Abdominal CT; this slice is in the lower chest, just above the liver — axial plane, index 210 — 512x512 px — scan has 15 labeled organs (that count is for the whole scan; organs this slice misses have no box)
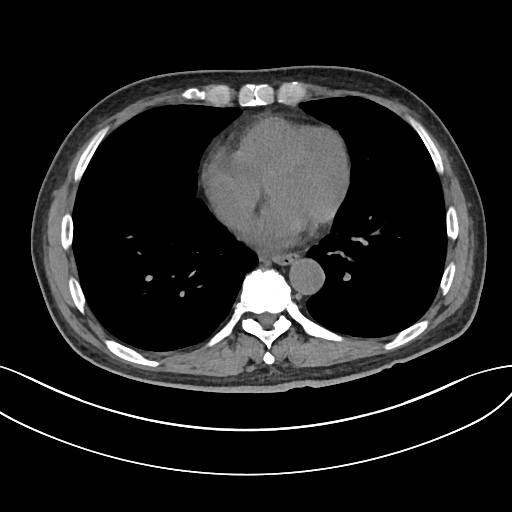 No part of the heart or lungs is labeled in this dataset, so neither has a box here.
Bounding boxes in pixels, one row per box: x1, y1 is the top-left corner and x2, y2 the bottom-right.
| organ | x1 | y1 | x2 | y2 |
|---|---|---|---|---|
| aorta | 289 | 259 | 324 | 295 |
| esophagus | 269 | 254 | 298 | 265 |
| inferior vena cava | 217 | 201 | 248 | 227 |